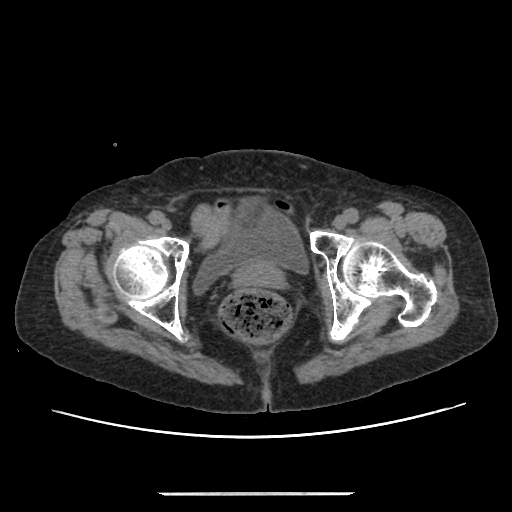 CT, abdomen/pelvis. axial view. soft-tissue window. 512x512 px. scan has 14 labeled organs (a whole-scan count: organs this slice does not pass through have no box)
Box edges are left/top/right/bottom in pixels.
bladder: left=195, top=211, right=309, bottom=291
prostate/uterus: left=232, top=258, right=285, bottom=289